CT, abdomen/pelvis; axial plane, index 73; 34-year-old female patient
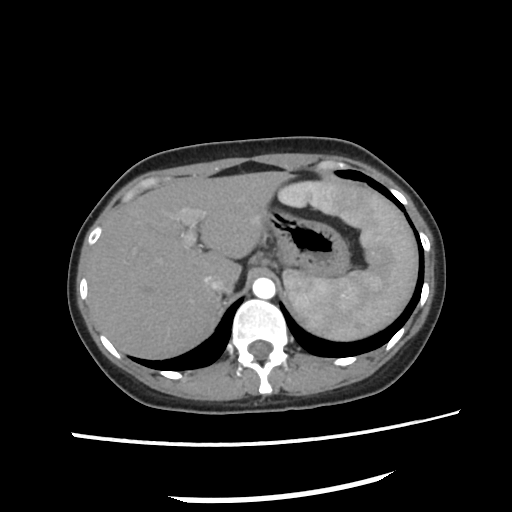
Box edges are left/top/right/bottom in pixels. Labeled organs on this slice: spleen at left=275, top=180, right=417, bottom=341, liver at left=87, top=171, right=291, bottom=358, stomach at left=265, top=206, right=349, bottom=277, aorta at left=252, top=278, right=274, bottom=298, inferior vena cava at left=205, top=273, right=229, bottom=291.